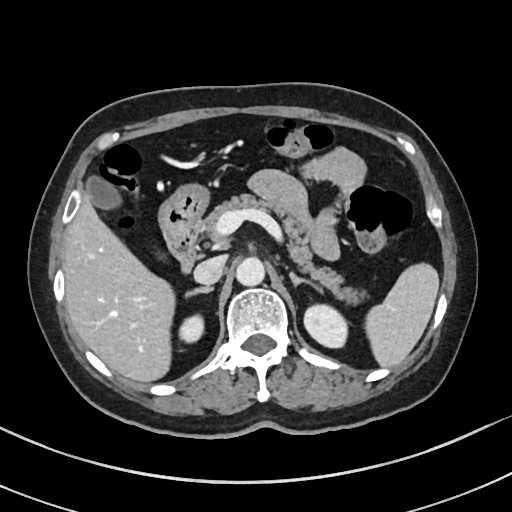

CT abdomen — axial view — W/L 400/40 HU
Organ boxes in pixel coordinates; each row gives the top-left (x1, y1) and bottom-right (x2, y2) corners.
| organ | x1 | y1 | x2 | y2 |
|---|---|---|---|---|
| spleen | 365 | 263 | 439 | 366 |
| right kidney | 178 | 313 | 204 | 343 |
| left kidney | 304 | 304 | 347 | 347 |
| gall bladder | 86 | 176 | 121 | 209 |
| liver | 63 | 192 | 175 | 381 |
| stomach | 159 | 184 | 208 | 247 |
| aorta | 236 | 257 | 264 | 286 |
| inferior vena cava | 194 | 255 | 226 | 284 |
| pancreas | 201 | 194 | 362 | 303 |
| right adrenal gland | 186 | 286 | 213 | 295 |
| left adrenal gland | 289 | 271 | 324 | 293 |
| duodenum | 168 | 222 | 198 | 272 |